Abdominal CT reaching into the chest; this slice is in the chest; axial view; 512x512 px
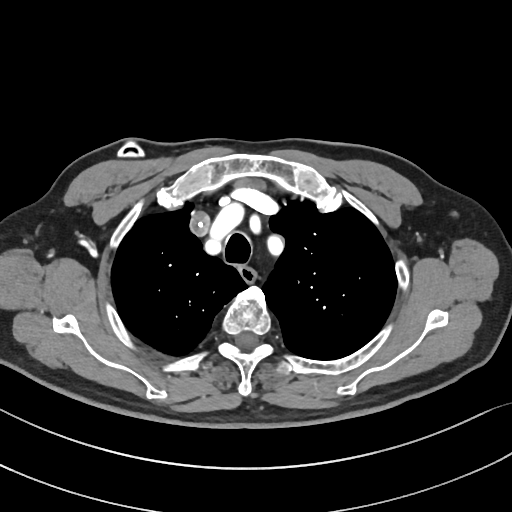 On a slice this high in the chest, this dataset labels only the esophagus and the aorta, and each is boxed only where it is labeled; the heart, lungs and other chest structures are not labeled.
<organs><organ name="esophagus" x1="240" y1="266" x2="255" y2="280"/></organs>